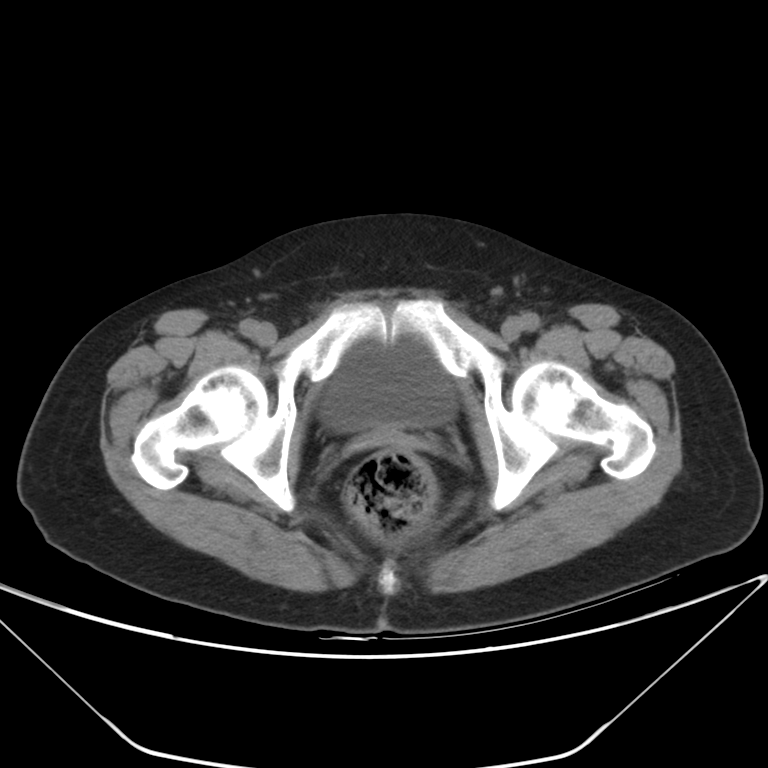

Computed tomography, abdomen. axial plane, index 11. 66-year-old female patient
Each box given as x1,y1,x2,y2.
bladder: x1=322, y1=340, x2=455, y2=430